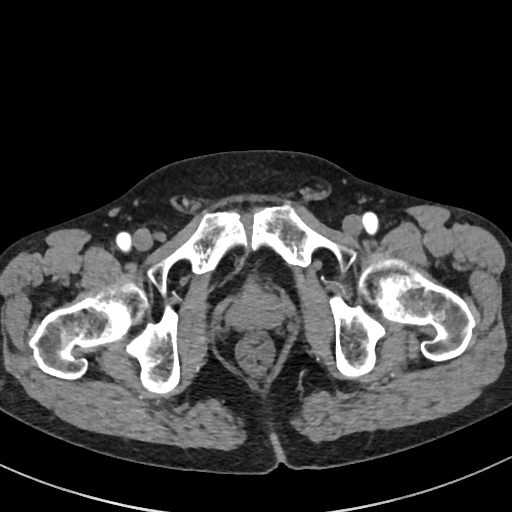 Abdominal CT. axial view. acquired on SOMATOM Force
Organ boxes in pixel coordinates; each row gives the top-left (x1, y1) and bottom-right (x2, y2) corners.
| organ | x1 | y1 | x2 | y2 |
|---|---|---|---|---|
| prostate/uterus | 227 | 287 | 283 | 330 |